Computed tomography, abdomen · axial view
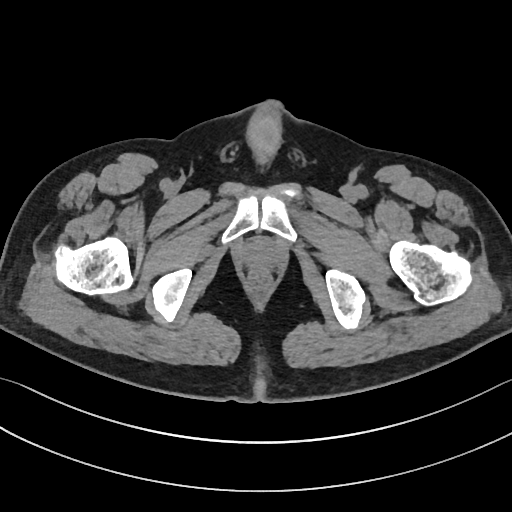

Boxes are (x1, y1, x2, y2) in pixels.
prostate/uterus: (242, 235, 278, 268)